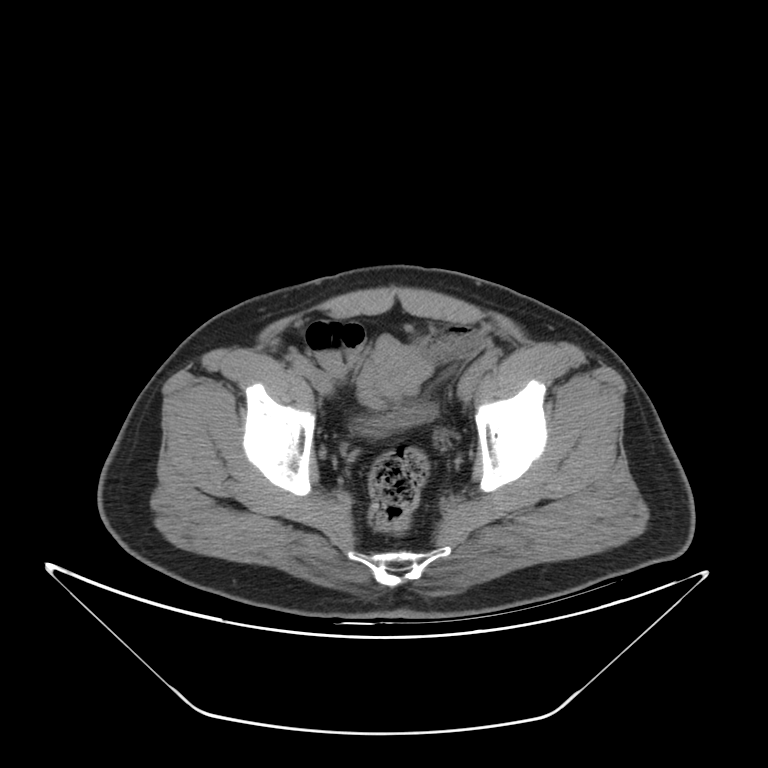

Computed tomography, abdomen; axial view; 768x768 px; 55-year-old male patient; scan has 15 labeled organs (counted over the whole 3D scan, not this slice; an organ is boxed only where this slice passes through it)
Coordinates as <box>x1,y1,x2,y2</box> in pixels. 1 labeled organ on this slice — bladder at <box>358,404,435,435</box>.